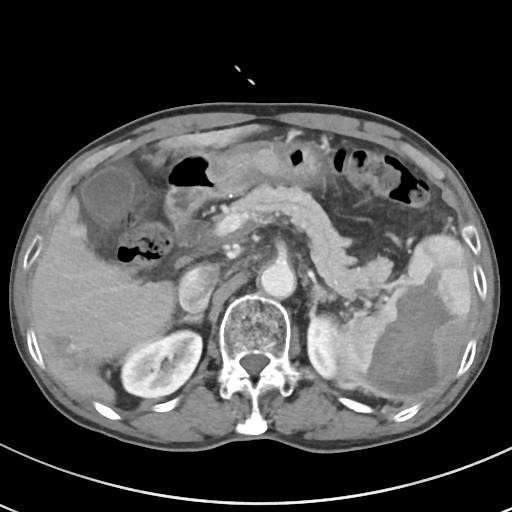
CT abdomen · axial view
Bounding boxes as [x1, y1, x2, y2] in pixel coordinates.
Organ bounding boxes:
- spleen: [336, 234, 473, 404]
- right kidney: [121, 330, 202, 397]
- left kidney: [307, 315, 340, 377]
- gall bladder: [81, 162, 135, 231]
- liver: [30, 125, 259, 403]
- stomach: [203, 138, 324, 197]
- aorta: [259, 262, 295, 298]
- inferior vena cava: [178, 264, 219, 312]
- pancreas: [227, 184, 392, 298]
- right adrenal gland: [179, 312, 202, 322]
- left adrenal gland: [309, 283, 336, 317]
- duodenum: [165, 148, 210, 244]